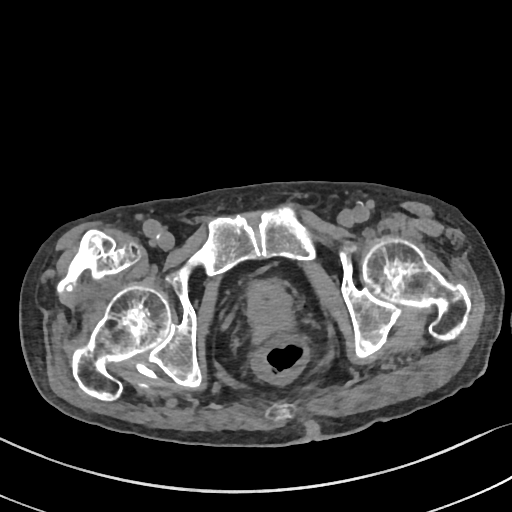

Computed tomography, abdomen; axial plane, index 18; W/L 400/40 HU; SOMATOM Force scanner
Organ boxes in pixel coordinates; each row gives the top-left (x1, y1) and bottom-right (x2, y2) corners.
| organ | x1 | y1 | x2 | y2 |
|---|---|---|---|---|
| prostate/uterus | 246 | 280 | 291 | 331 |